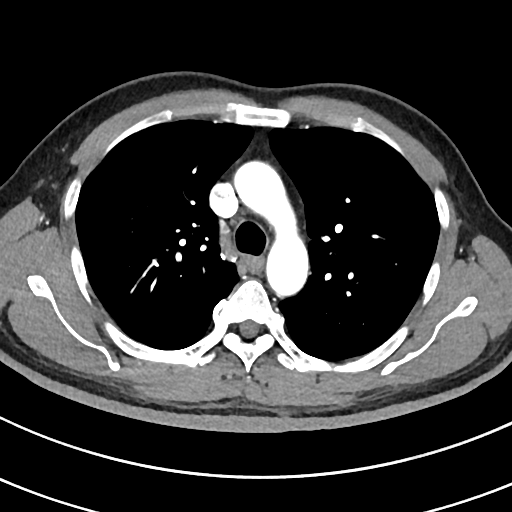

CT of the abdomen extending into the chest, slice through the chest. axial view. scan has 15 labeled organs (that count is for the whole scan; organs this slice misses have no box)
At this level of the chest this dataset labels only the esophagus and the aorta, and each is boxed only where it is labeled; the heart and lungs are never labeled. Box edges are left/top/right/bottom in pixels. 2 labeled organs on this slice — aorta at left=232, top=160, right=308, bottom=297; esophagus at left=243, top=257, right=261, bottom=271.